Computed tomography, abdomen. Axial slice 59/74. 39-year-old male patient
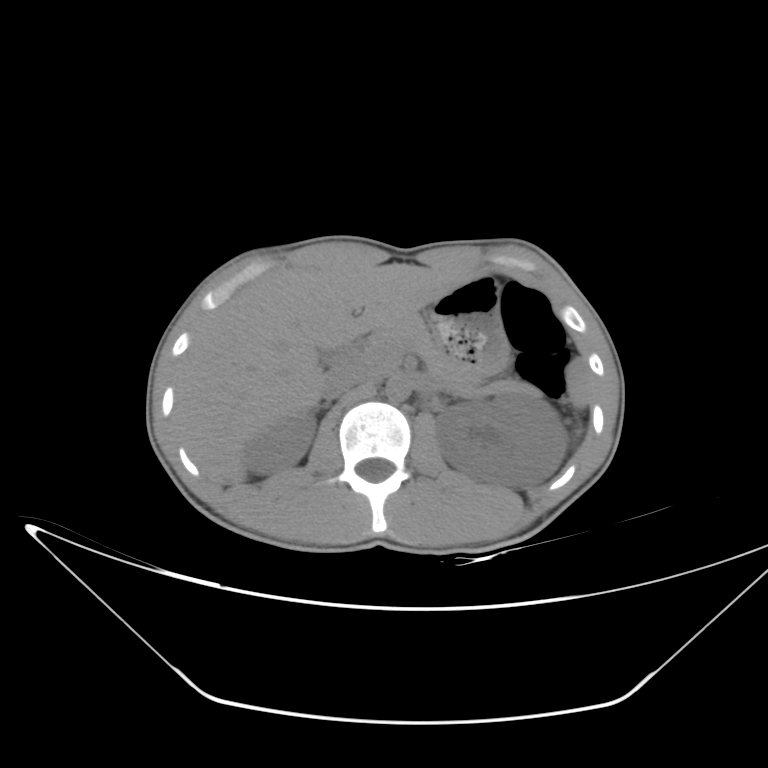
{"organs":{"spleen":[567,359,591,409],"right kidney":[243,412,316,474],"left kidney":[434,394,566,489],"liver":[171,261,465,483],"stomach":[429,276,509,377],"aorta":[384,375,412,401],"inferior vena cava":[322,366,373,399],"pancreas":[372,314,538,396],"right adrenal gland":[317,400,330,411]}}